Abdominal CT — axial view
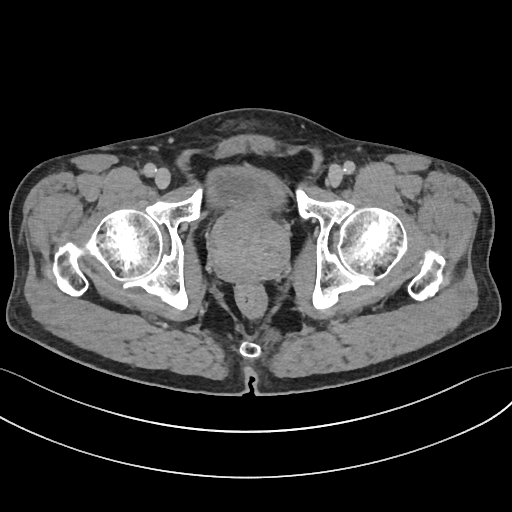

Coordinates as <box>x1,y1,x2,y2</box> in pixels.
bladder: <box>209,167,284,211</box>
prostate/uterus: <box>210,207,288,281</box>